Abdominal CT — axial view — soft-tissue window — 512x512 px
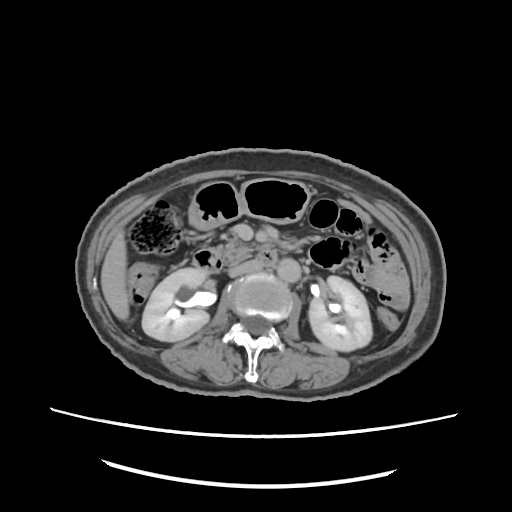 {"organs":{"right kidney":[141,269,208,343],"left kidney":[308,274,373,350],"liver":[101,229,129,320],"stomach":[188,179,307,229],"aorta":[278,257,300,281],"inferior vena cava":[230,261,262,276],"pancreas":[218,234,281,265],"duodenum":[194,248,276,274]}}